Computed tomography, abdomen — axial view
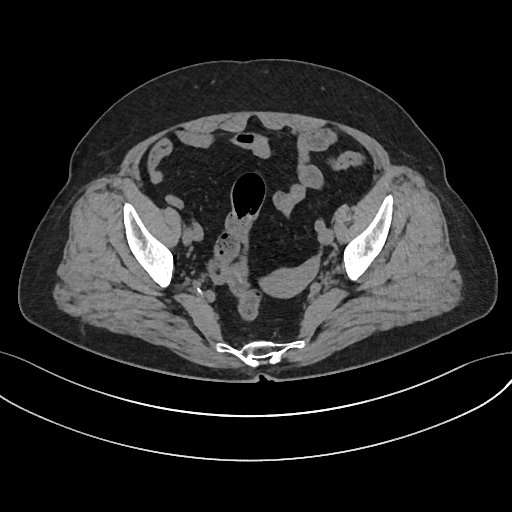

{"organs":{"prostate/uterus":[261,267,308,298]}}